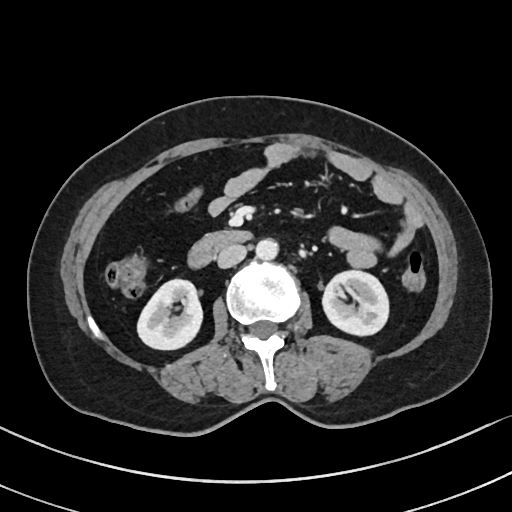 CT, abdomen/pelvis. axial view. soft-tissue window
Boxes: x1 y1 x2 y2 (pixel coords, space-separated). The annotated organs in this slice are: right kidney at 137 279 203 349, left kidney at 322 270 389 336, aorta at 255 239 277 260, inferior vena cava at 216 245 246 268, duodenum at 186 231 253 269.